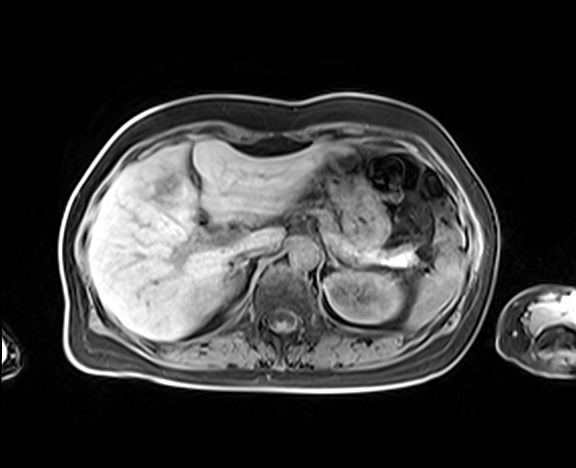 Magnetic resonance imaging, abdomen · Axial slice 39/72
Box edges are left/top/right/bottom in pixels.
Organ bounding boxes:
- aorta: left=289, top=238, right=319, bottom=266
- right adrenal gland: left=232, top=261, right=246, bottom=273
- stomach: left=322, top=151, right=389, bottom=248
- liver: left=88, top=139, right=349, bottom=340
- inferior vena cava: left=232, top=243, right=271, bottom=262
- left kidney: left=324, top=270, right=402, bottom=323
- spleen: left=407, top=249, right=464, bottom=329
- right kidney: left=219, top=279, right=235, bottom=302
- pancreas: left=315, top=208, right=421, bottom=265